CT, abdomen/pelvis — axial plane, index 51
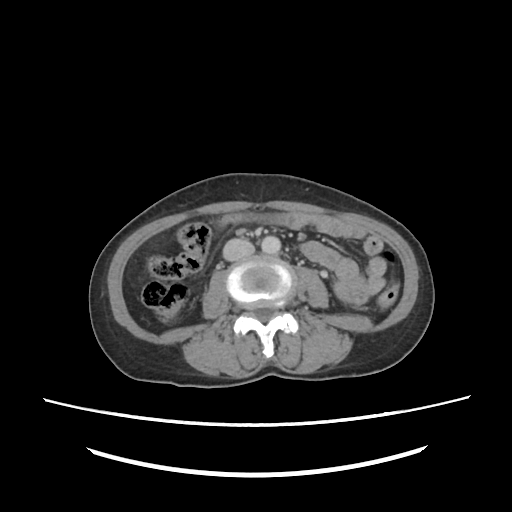
Boxes are (x1, y1, x2, y2) in pixels.
Organ bounding boxes:
- aorta: (260, 236, 281, 254)
- inferior vena cava: (222, 238, 254, 262)